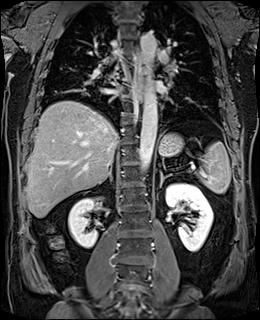

Abdominal MR; coronal acquisition; 1st–99th percentile window
One row per box, in pixels: columns x1 and y1 give the top-left corner, x2 and y2 the bottom-right.
| organ | x1 | y1 | x2 | y2 |
|---|---|---|---|---|
| spleen | 199 | 142 | 231 | 193 |
| right kidney | 68 | 198 | 101 | 248 |
| left kidney | 165 | 183 | 213 | 252 |
| esophagus | 134 | 57 | 142 | 101 |
| liver | 26 | 101 | 118 | 218 |
| stomach | 158 | 133 | 183 | 157 |
| aorta | 138 | 86 | 157 | 171 |
| aorta | 140 | 31 | 156 | 82 |
| right adrenal gland | 99 | 165 | 112 | 184 |
| left adrenal gland | 160 | 171 | 171 | 187 |